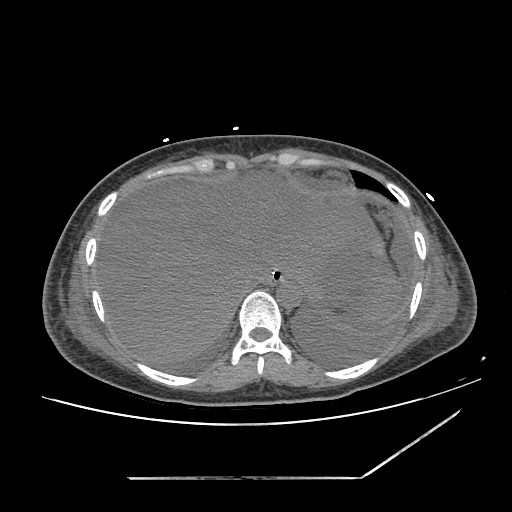 Abdominal CT · axial view · abdomen soft-tissue window · 512x512 px
Each box given as x1,y1,x2,y2. The annotated organs in this slice are: esophagus at x1=262, y1=268, x2=287, y2=284, liver at x1=96, y1=168, x2=400, y2=363, stomach at x1=280, y1=280, x2=295, y2=282, aorta at x1=276, y1=280, x2=302, y2=306, inferior vena cava at x1=232, y1=269, x2=261, y2=295.